CT abdomen; axial view; soft-tissue window (W 400 / L 40); 512x512 px; 14 organs annotated in this scan (a whole-scan count: organs this slice does not pass through have no box)
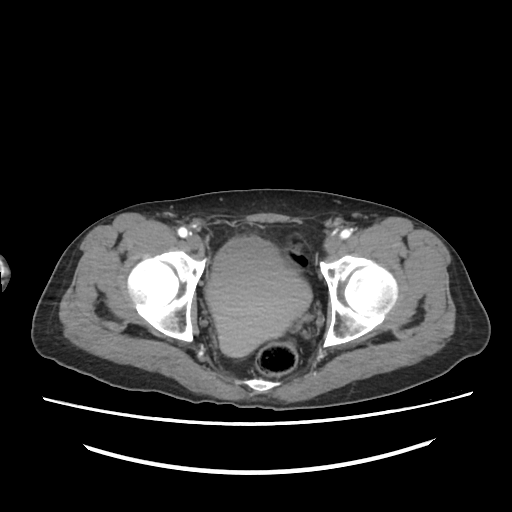
Bounding boxes in pixels, one row per box: x1, y1 is the top-left corner and x2, y2 the bottom-right.
| organ | x1 | y1 | x2 | y2 |
|---|---|---|---|---|
| bladder | 205 | 237 | 311 | 357 |